CT of the abdomen extending into the chest, slice through the chest — axial plane, index 126 — soft-tissue window — 512x512 px — 46-year-old male patient
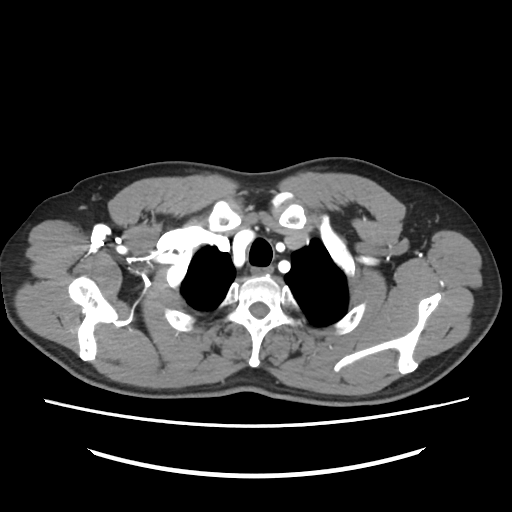

At this level of the chest this dataset labels only the esophagus and the aorta, and each is boxed only where it is labeled; the heart and lungs are never labeled.
<organs><organ name="esophagus" x1="250" y1="265" x2="273" y2="274"/></organs>